CT abdomen — axial view — abdomen soft-tissue window
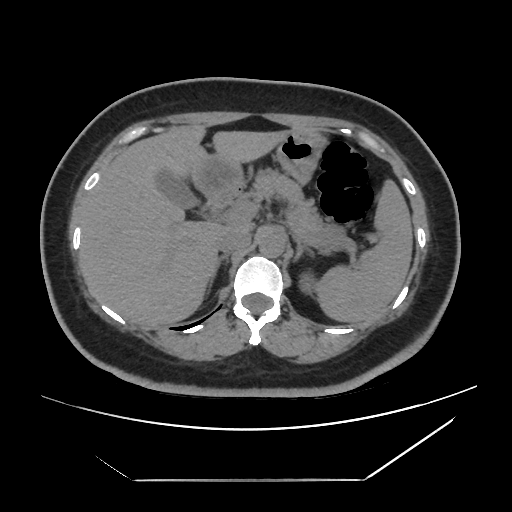 Box edges are left/top/right/bottom in pixels.
Organ bounding boxes:
- stomach: left=193, top=130, right=327, bottom=197
- liver: left=79, top=125, right=292, bottom=325
- right adrenal gland: left=214, top=254, right=228, bottom=277
- pancreas: left=251, top=171, right=346, bottom=250
- aorta: left=258, top=231, right=284, bottom=257
- duodenum: left=208, top=195, right=233, bottom=209
- spleen: left=314, top=178, right=412, bottom=322
- left adrenal gland: left=293, top=240, right=312, bottom=262
- gall bladder: left=157, top=170, right=201, bottom=208
- left kidney: left=303, top=279, right=309, bottom=289
- inferior vena cava: left=217, top=230, right=251, bottom=253